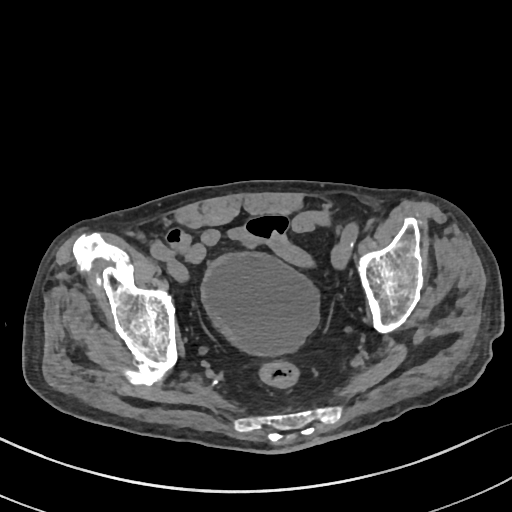

Abdominal CT — axial view — soft-tissue window
{"organs":{"bladder":[202,253,318,354]}}